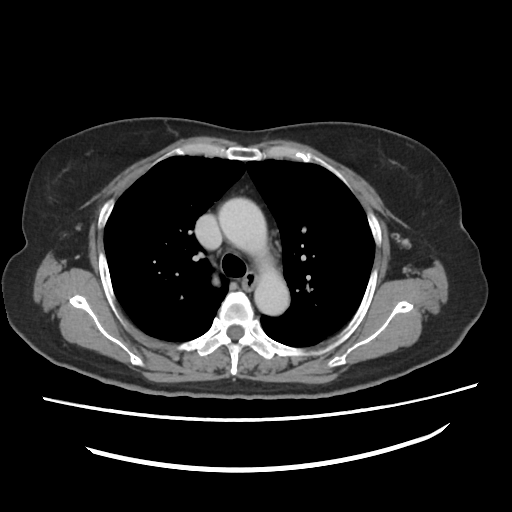 Chest-level CT slice, above the liver and spleen · axial view · scan has 14 labeled organs (counted over the whole 3D scan, not this slice; an organ is boxed only where this slice passes through it)
At this level of the chest no structure but the esophagus and the aorta has a label in this dataset, and those two are boxed only where they are labeled.
Coordinates as <box>x1,y1,x2,y2</box> in pixels.
esophagus: <box>243,271,256,289</box>
aorta: <box>217,197,289,316</box>